Abdominal CT · axial view · soft-tissue window · 512x512 px
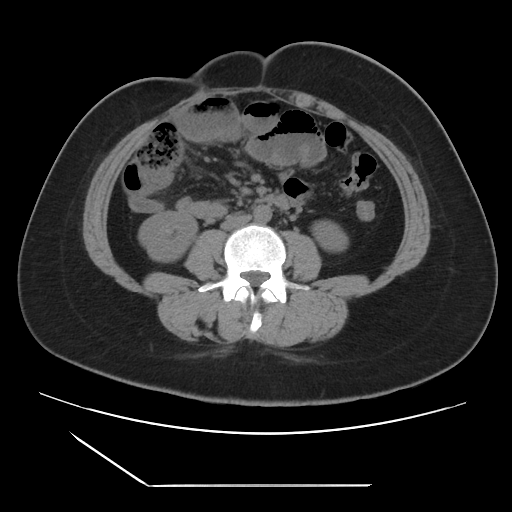
Boxes: x1 y1 x2 y2 (pixel coords, space-separated).
aorta: 253 205 271 222
left kidney: 312 220 348 251
inferior vena cava: 221 214 250 230
right kidney: 138 211 197 261